CT of the abdomen reaching into the lower chest, slice just above the liver and spleen — Axial slice 244/252 — soft-tissue window (W 400 / L 40) — 512x512 px — SOMATOM Force scanner — 15 organs annotated in this scan (a whole-scan count: organs this slice does not pass through have no box)
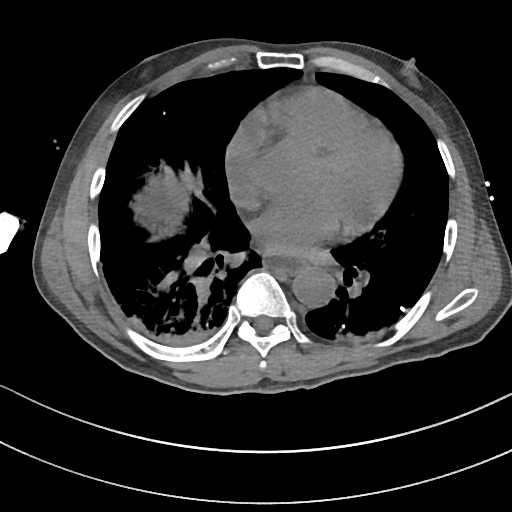

The heart and lungs are never labeled in this dataset, so they have no box on this slice.
Bounding boxes in pixels, one row per box: x1, y1 is the top-left corner and x2, y2 the bottom-right.
| organ | x1 | y1 | x2 | y2 |
|---|---|---|---|---|
| aorta | 292 | 268 | 333 | 307 |
| esophagus | 262 | 255 | 306 | 274 |